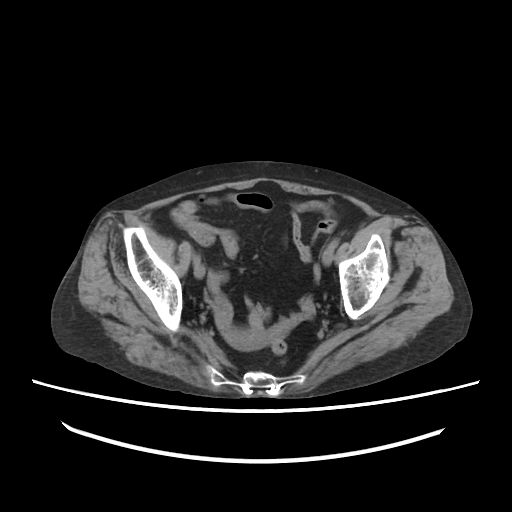

CT, abdomen/pelvis — axial view — W/L 400/40 HU — 512x512 px
Boxes: x1:y1:x2:y2 in pixels.
prostate/uterus: 229:330:265:350